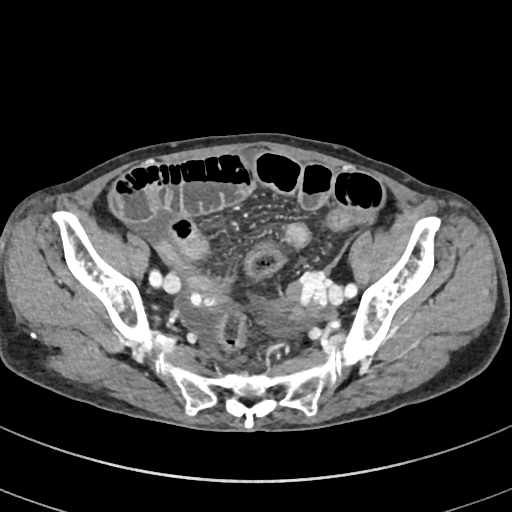
CT abdomen — axial view — soft-tissue window (W 400 / L 40)
Bounding boxes as [x1, y1, x2, y2] in pixel coordinates. Labeled organs on this slice: prostate/uterus at [265, 300, 282, 313].